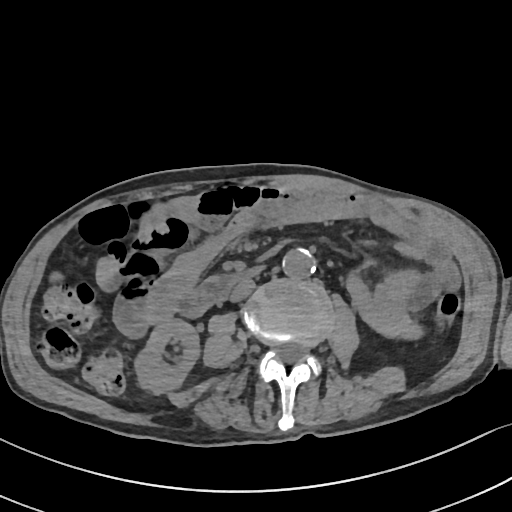
CT, abdomen/pelvis. axial view. W/L 400/40 HU
Boxes: x1:y1:x2:y2 in pixels. The annotated organs in this slice are: right kidney at 134:319:199:392, aorta at 282:248:315:278, inferior vena cava at 229:278:255:301, duodenum at 177:268:259:317.